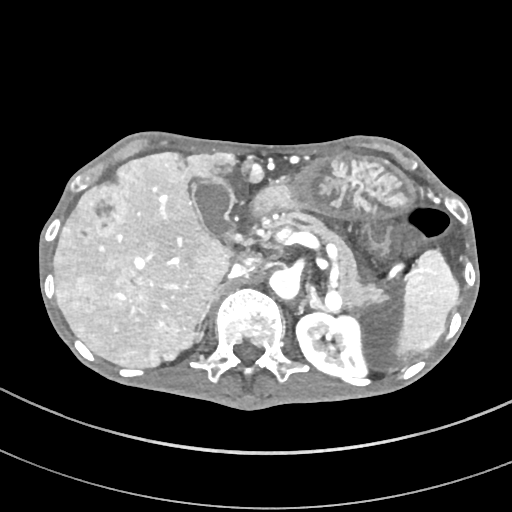
CT abdomen; Axial slice 155/218; soft-tissue window (W 400 / L 40)
{"organs":{"spleen":[396,249,459,356],"left kidney":[296,313,367,379],"gall bladder":[193,178,237,234],"liver":[53,152,264,367],"stomach":[259,154,414,220],"aorta":[269,268,299,299],"inferior vena cava":[229,253,269,277],"pancreas":[268,211,385,308],"right adrenal gland":[195,289,218,341],"left adrenal gland":[296,283,324,315],"duodenum":[248,194,270,215]}}